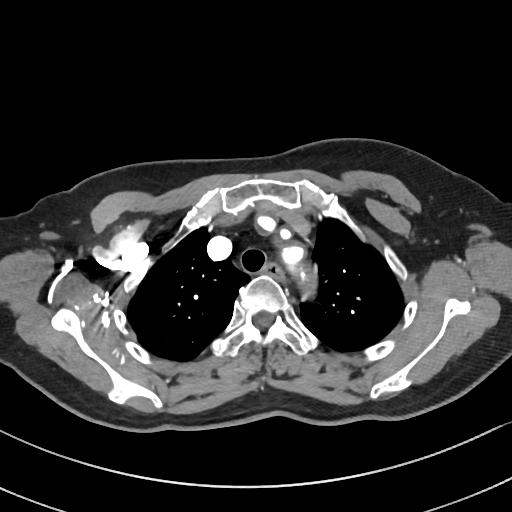
CT of the abdomen extending into the chest, slice through the chest · axial view · soft-tissue window (W 400 / L 40) · acquired on SOMATOM Force
At this level of the chest no structure but the esophagus and the aorta has a label in this dataset, and those two are boxed only where they are labeled.
Each box given as x1,y1,x2,y2.
esophagus: x1=260, y1=264, x2=284, y2=280
aorta: x1=278, y1=242, x2=310, y2=279